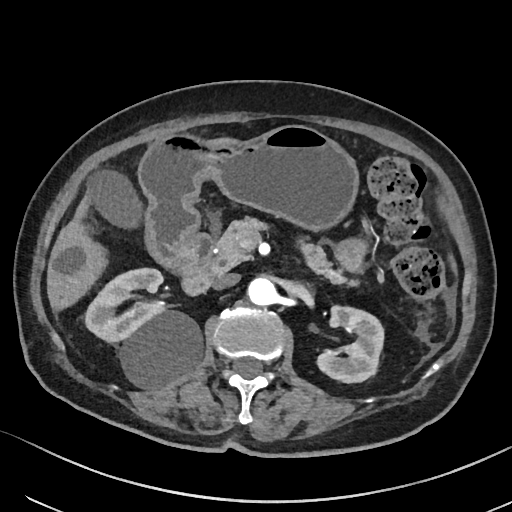

CT abdomen. axial view. abdomen soft-tissue window. 15 organs annotated in this scan (a whole-scan count: organs this slice does not pass through have no box)
Bounding boxes in pixels, one row per box: x1, y1 is the top-left corner and x2, y2 the bottom-right.
| organ | x1 | y1 | x2 | y2 |
|---|---|---|---|---|
| pancreas | 208 | 218 | 353 | 285 |
| stomach | 138 | 125 | 357 | 268 |
| inferior vena cava | 213 | 273 | 239 | 289 |
| gall bladder | 85 | 169 | 139 | 226 |
| liver | 46 | 196 | 105 | 310 |
| aorta | 248 | 277 | 276 | 305 |
| duodenum | 159 | 233 | 212 | 295 |
| left kidney | 318 | 305 | 384 | 382 |
| right kidney | 86 | 267 | 202 | 387 |